Abdominal CT · Axial slice 121/276 · W/L 400/40 HU · acquired on SOMATOM Force
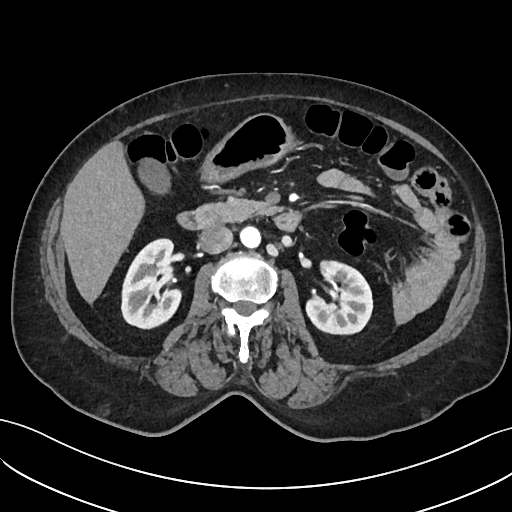

{"organs":{"right kidney":[122,239,180,329],"left kidney":[305,260,372,335],"gall bladder":[135,156,170,192],"liver":[61,141,145,305],"stomach":[202,112,292,183],"aorta":[240,227,261,249],"inferior vena cava":[198,225,232,254],"pancreas":[195,198,275,224],"duodenum":[176,210,303,232]}}